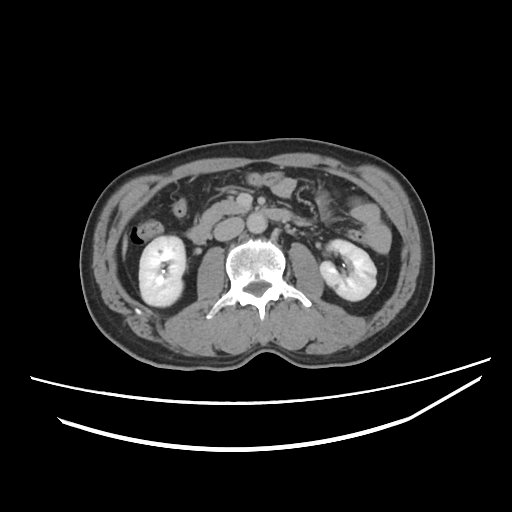

CT abdomen; axial view; 512x512 px
{"organs":{"right kidney":[138,236,185,306],"left kidney":[321,239,376,300],"liver":[122,238,128,258],"aorta":[246,212,266,233],"inferior vena cava":[214,216,243,240],"duodenum":[187,201,291,241]}}